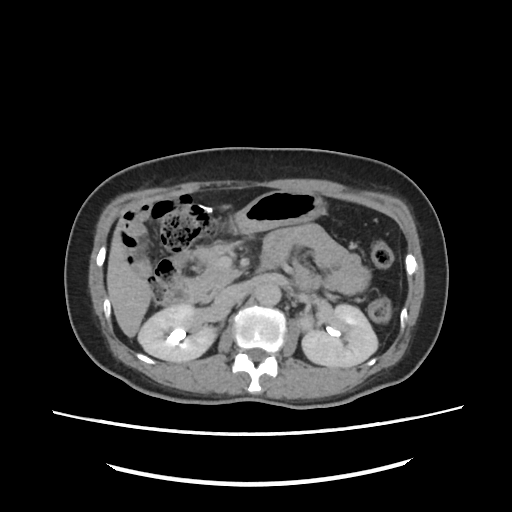 CT, abdomen/pelvis · axial view · Aquilion ONE scanner
Each box given as x1,y1,x2,y2.
right kidney: x1=138, y1=305, x2=215, y2=362
left kidney: x1=303, y1=305, x2=376, y2=368
liver: x1=107, y1=226, x2=152, y2=337
stomach: x1=226, y1=188, x2=325, y2=235
aorta: x1=256, y1=284, x2=281, y2=306
inferior vena cava: x1=212, y1=284, x2=246, y2=312
pancreas: x1=191, y1=246, x2=239, y2=302
duodenum: x1=164, y1=246, x2=287, y2=305